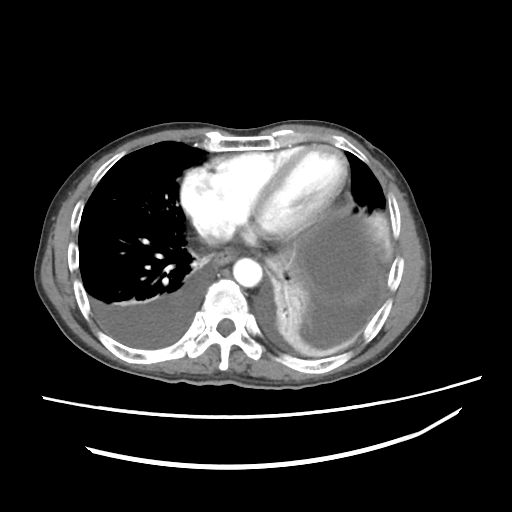
CT abdomen · axial plane, index 98 · 15 organs annotated in this scan (that count is for the whole scan; organs this slice misses have no box)
Bounding boxes as [x1, y1, x2, y2] in pixel coordinates.
Organ bounding boxes:
- esophagus: [211, 250, 238, 269]
- liver: [161, 280, 188, 339]
- aorta: [234, 257, 261, 287]
- inferior vena cava: [201, 231, 231, 246]